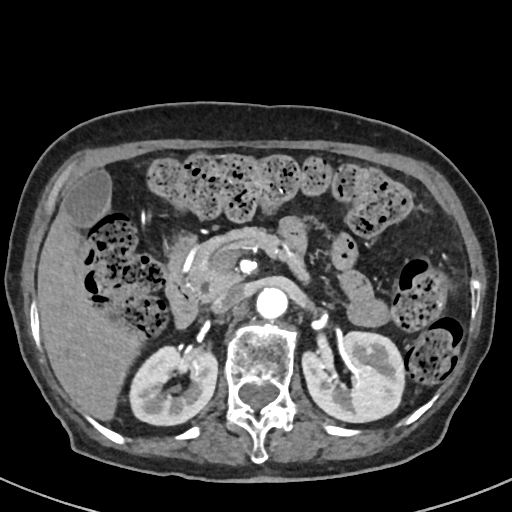 CT abdomen. axial plane, index 143. W/L 400/40 HU
Each box given as x1,y1,x2,y2.
Organ bounding boxes:
- right kidney: x1=129, y1=345, x2=217, y2=425
- left kidney: x1=302, y1=331, x2=404, y2=422
- gall bladder: x1=61, y1=169, x2=111, y2=227
- liver: x1=37, y1=210, x2=141, y2=420
- aorta: x1=256, y1=288, x2=287, y2=318
- inferior vena cava: x1=211, y1=285, x2=244, y2=313
- pancreas: x1=187, y1=227, x2=308, y2=300
- duodenum: x1=165, y1=235, x2=198, y2=328